Computed tomography, abdomen — axial view — 768x768 px — 66-year-old female patient — Brilliance16 scanner — scan has 14 labeled organs (that count is for the whole scan; organs this slice misses have no box)
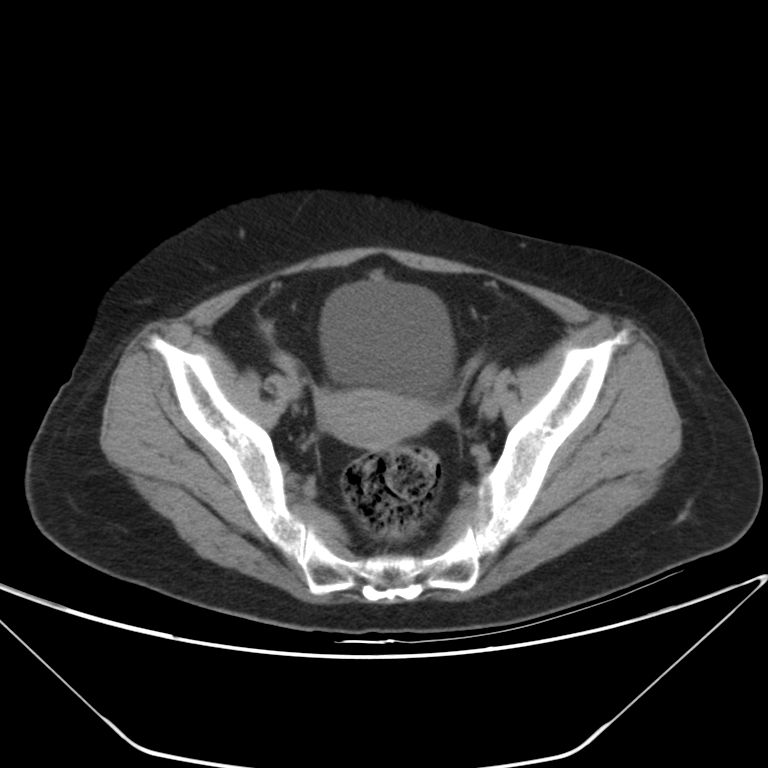

Boxes: x1:y1:x2:y2 in pixels. 2 labeled organs on this slice — bladder at 320:280:454:396; prostate/uterus at 318:389:431:450.